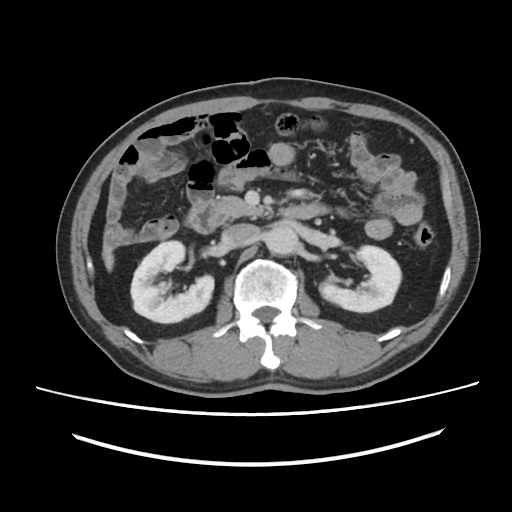 Computed tomography, abdomen; axial plane, index 59; acquired on Aquilion ONE
Coordinates as <box>x1,y1,x2,y2</box> in pixels. Labeled organs on this slice: right kidney at <box>131,241,214,323</box>, left kidney at <box>319,245,401,312</box>, liver at <box>102,242,113,271</box>, aorta at <box>265,225,298,255</box>, inferior vena cava at <box>221,223,259,247</box>, pancreas at <box>214,196,265,218</box>, duodenum at <box>186,201,326,233</box>.